CT abdomen. axial plane, index 50. soft-tissue window (W 400 / L 40). acquired on SOMATOM Force
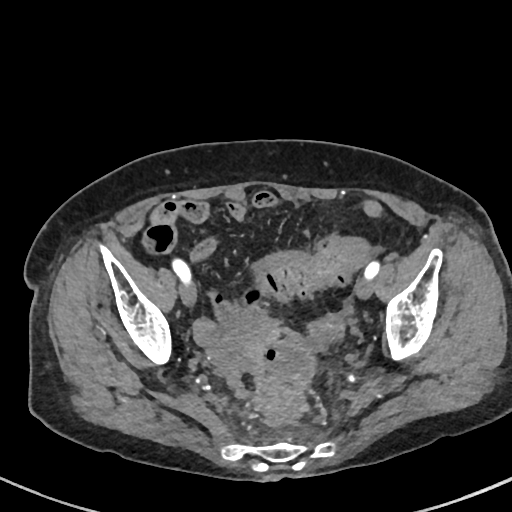
One row per box, in pixels: columns x1 and y1 give the top-left corner, x2 and y2 the bottom-right.
| organ | x1 | y1 | x2 | y2 |
|---|---|---|---|---|
| prostate/uterus | 311 | 320 | 339 | 338 |